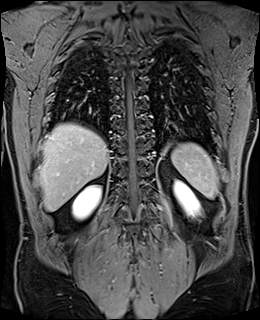 Abdominal MR · coronal acquisition
{"organs":{"spleen":[171,143,218,198],"right kidney":[72,185,101,219],"left kidney":[174,180,200,217],"liver":[39,123,108,211]}}